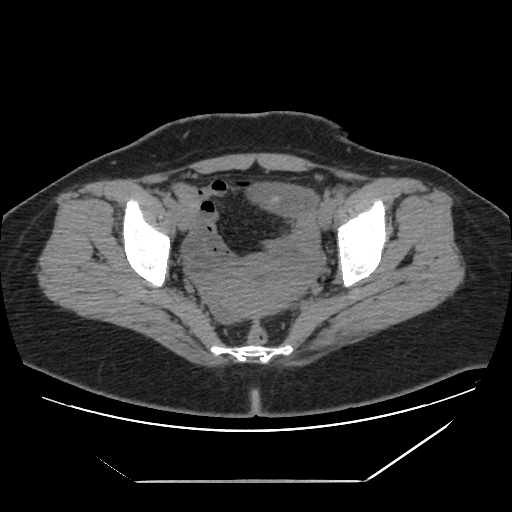

CT abdomen; axial view; soft-tissue window (W 400 / L 40); 512x512 px; acquired on SOMATOM Force; 15 organs annotated in this scan (counted over the whole 3D scan, not this slice; an organ is boxed only where this slice passes through it)
Coordinates as <box>x1,y1,x2,y2</box> in pixels.
prostate/uterus: <box>204,256,303,317</box>